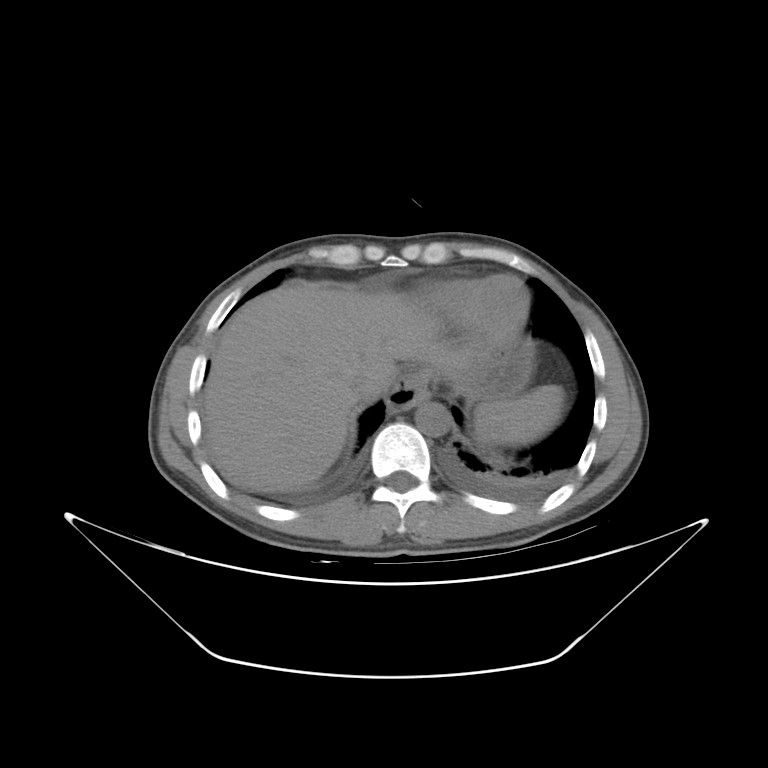

CT abdomen; axial view; 39-year-old male patient; 15 organs annotated in this scan (a whole-scan count: organs this slice does not pass through have no box)
Boxes: x1 y1 x2 y2 (pixel coords, space-separated). The annotated organs in this slice are: spleen at 474 385 564 454, esophagus at 388 372 430 411, liver at 202 283 470 492, stomach at 447 335 535 406, aorta at 415 402 450 436, inferior vena cava at 351 369 377 399.